CT, abdomen/pelvis; Axial slice 11/74; abdomen soft-tissue window
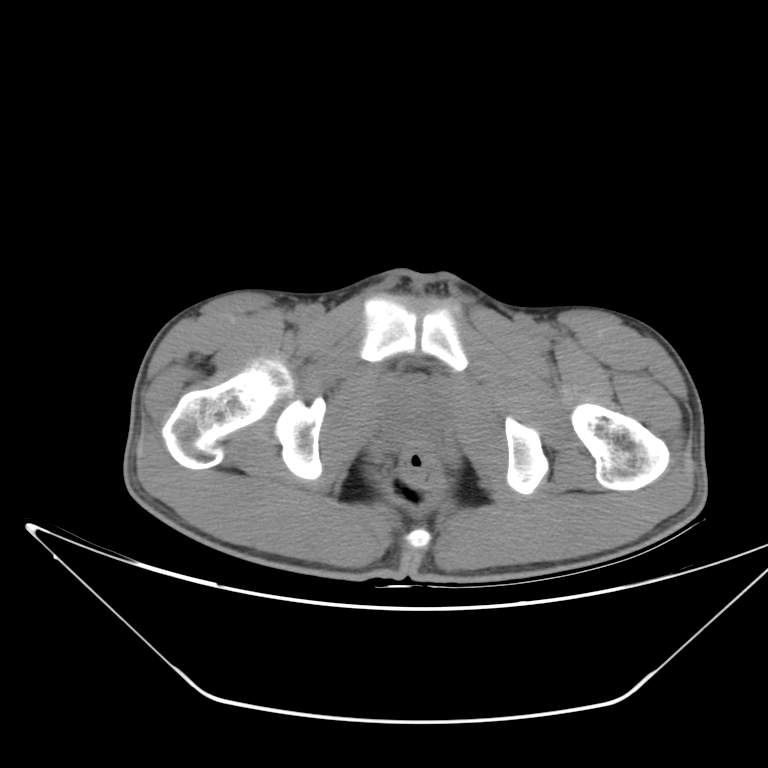

<organs><organ name="prostate/uterus" x1="383" y1="381" x2="447" y2="437"/></organs>